Abdominal CT; axial plane, index 192
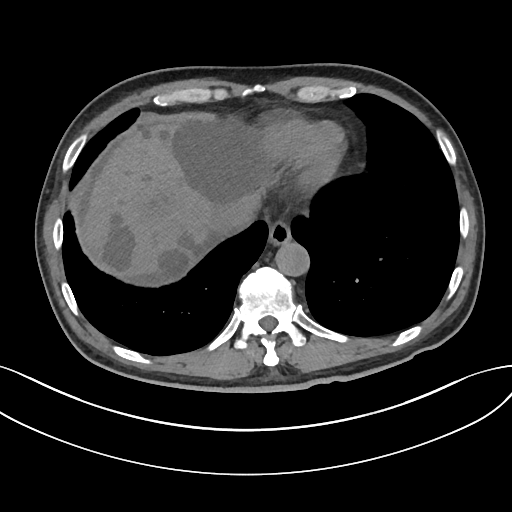
<organs><organ name="esophagus" x1="267" y1="220" x2="291" y2="244"/><organ name="liver" x1="84" y1="118" x2="270" y2="282"/><organ name="aorta" x1="275" y1="241" x2="308" y2="275"/><organ name="inferior vena cava" x1="213" y1="199" x2="256" y2="235"/></organs>